CT, abdomen/pelvis; axial plane, index 123
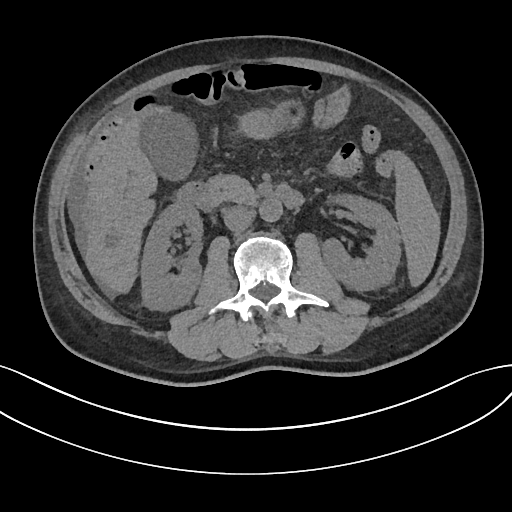

Boxes are (x1, y1, x2, y2) in pixels. Labeled organs on this slice: right kidney at (140, 202, 202, 312), liver at (81, 103, 174, 295), pancreas at (204, 174, 259, 204), aorta at (259, 199, 282, 222), spleen at (393, 149, 440, 287), stomach at (240, 98, 305, 140), gall bladder at (142, 113, 198, 181), inferior vena cava at (222, 206, 252, 232), duodenum at (176, 182, 305, 209), left kidney at (321, 195, 400, 291).